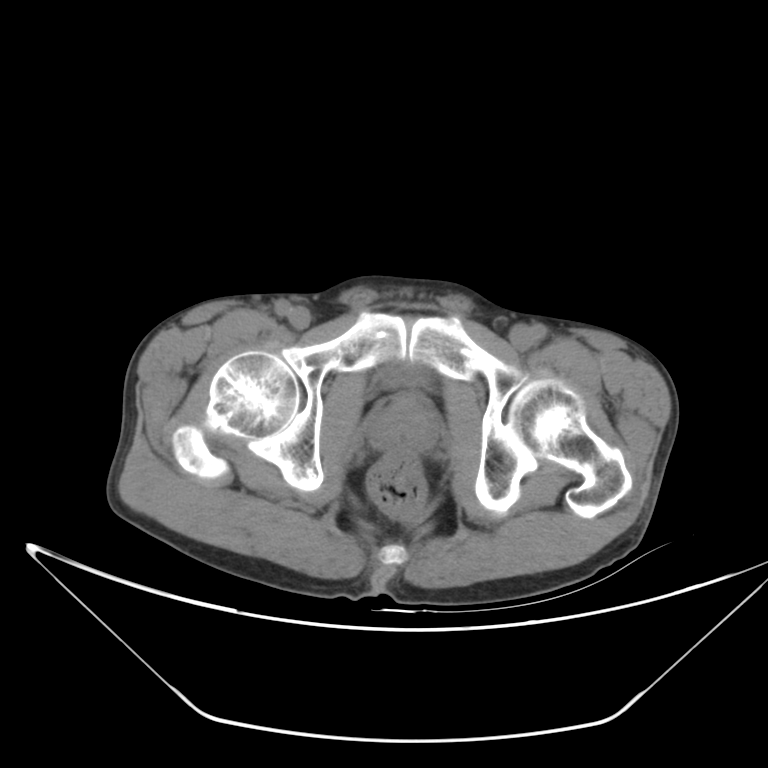
Computed tomography, abdomen · axial view · 768x768 px · 63-year-old male patient
{"organs":{"bladder":[382,363,428,387],"prostate/uterus":[370,395,436,451]}}